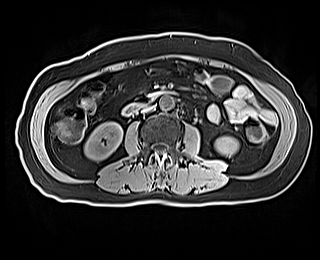 Abdominal MRI. axial view. percentile-normalized
{"organs":{"right kidney":[84,121,122,160],"left kidney":[215,136,238,156],"aorta":[159,95,174,110],"inferior vena cava":[141,106,153,112],"duodenum":[123,90,176,114]}}